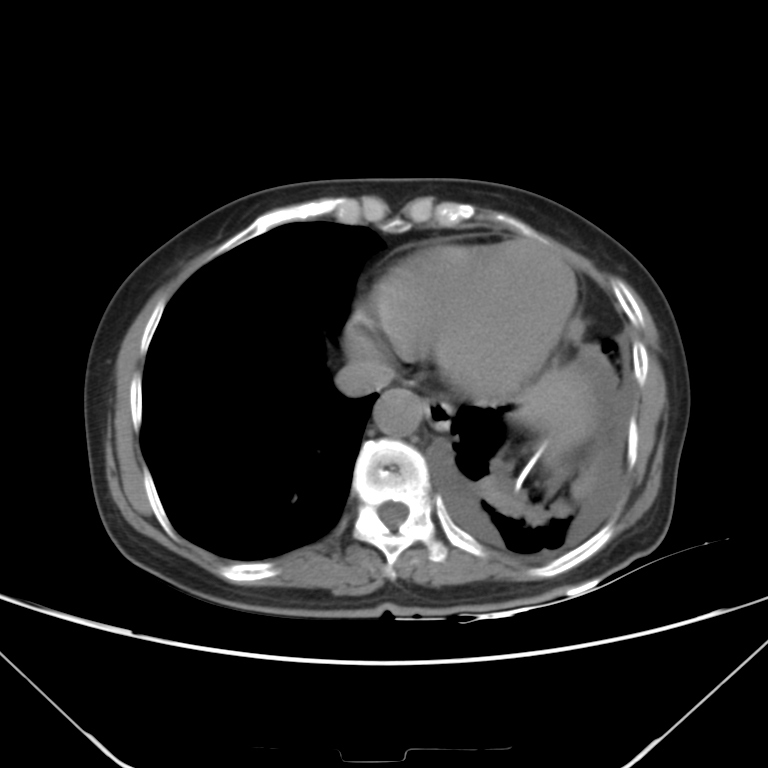 Computed tomography, abdomen · axial view · 63-year-old female patient · Brilliance16 scanner
{"organs":{"spleen":[536,431,584,467],"esophagus":[424,398,453,430],"liver":[520,367,598,437],"aorta":[374,387,423,435],"inferior vena cava":[335,354,393,395]}}